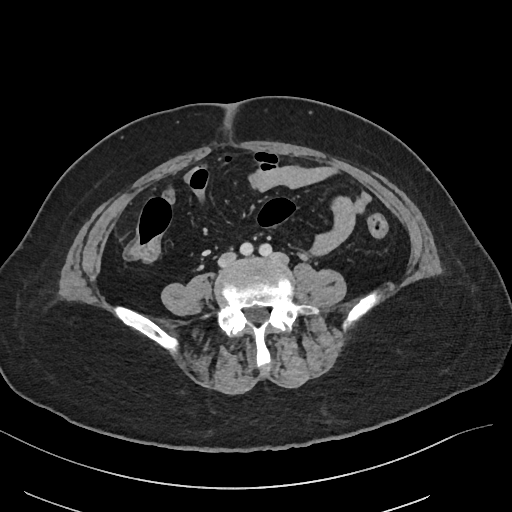

CT, abdomen/pelvis · axial plane, index 103 · soft-tissue window · SOMATOM Force scanner · 15 organs annotated in this scan (a whole-scan count: organs this slice does not pass through have no box)
<organs><organ name="inferior vena cava" x1="219" y1="252" x2="235" y2="264"/></organs>